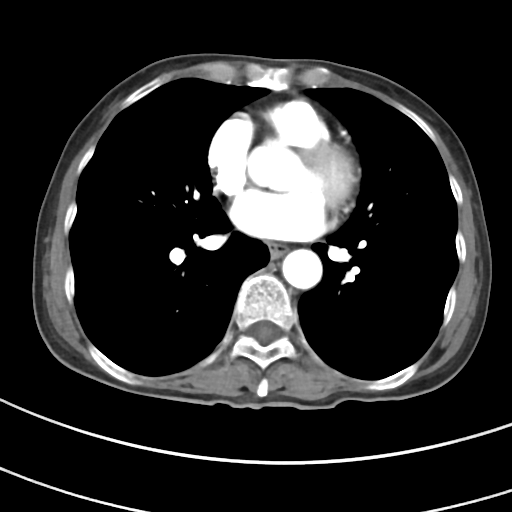
CT of the abdomen extending into the chest, slice through the chest; Axial slice 86/118
At this level of the chest this dataset labels only the esophagus and the aorta, and each is boxed only where it is labeled; the heart and lungs are never labeled.
Organ boxes in pixel coordinates; each row gives the top-left (x1, y1) and bottom-right (x2, y2) corners.
| organ | x1 | y1 | x2 | y2 |
|---|---|---|---|---|
| esophagus | 269 | 243 | 287 | 259 |
| aorta | 282 | 249 | 322 | 289 |